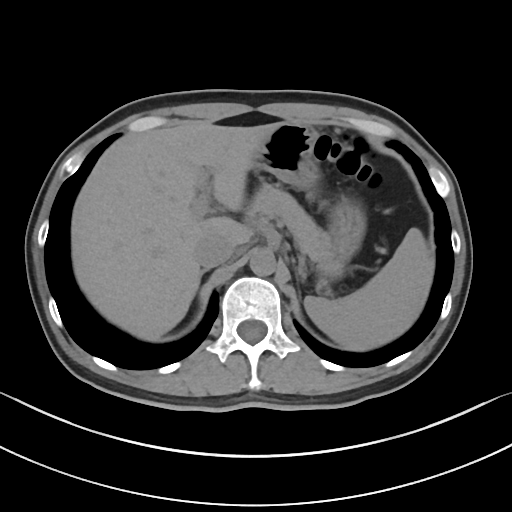

CT abdomen · Axial slice 71/87 · soft-tissue window
Boxes: x1:y1:x2:y2 in pixels.
Organ bounding boxes:
- spleen: 304:228:434:351
- liver: 71:123:279:340
- stomach: 253:122:364:281
- aorta: 249:249:276:275
- inferior vena cava: 194:233:236:269
- pancreas: 248:183:329:265
- right adrenal gland: 196:270:205:292